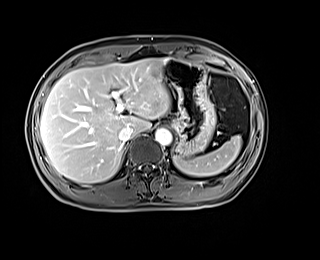 Abdominal MRI; axial plane, index 34; 1st–99th percentile window
{"organs":{"spleen":[173,135,241,176],"liver":[40,58,170,183],"stomach":[163,58,216,156],"aorta":[155,128,171,145],"inferior vena cava":[119,126,133,142]}}